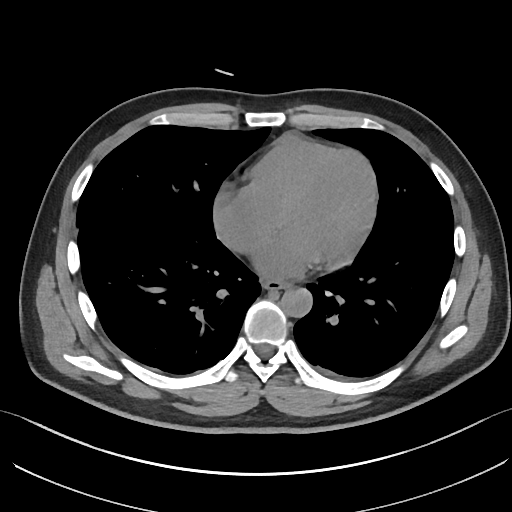 CT of the abdomen reaching into the lower chest, slice just above the liver and spleen; axial view; 512x512 px; 15 organs annotated in this scan (counted over the whole 3D scan, not this slice; an organ is boxed only where this slice passes through it)
Of the structures in the chest, this dataset labels only the esophagus, the aorta and the inferior vena cava; the heart and lungs have no label.
Boxes: x1 y1 x2 y2 (pixel coords, space-separated).
Organ bounding boxes:
- aorta: 280 288 312 317
- esophagus: 263 281 287 290